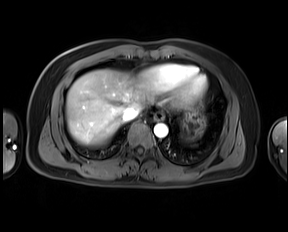
Abdominal MR; Axial slice 58/72; 288x232 px; 13 organs annotated in this scan (that count is for the whole scan; organs this slice misses have no box)
One row per box, in pixels: columns x1 and y1 give the top-left corner, x2 and y2 the bottom-right.
| organ | x1 | y1 | x2 | y2 |
|---|---|---|---|---|
| liver | 66 | 69 | 154 | 146 |
| esophagus | 154 | 112 | 164 | 120 |
| aorta | 154 | 123 | 168 | 137 |
| inferior vena cava | 122 | 106 | 140 | 121 |
| stomach | 179 | 109 | 205 | 139 |